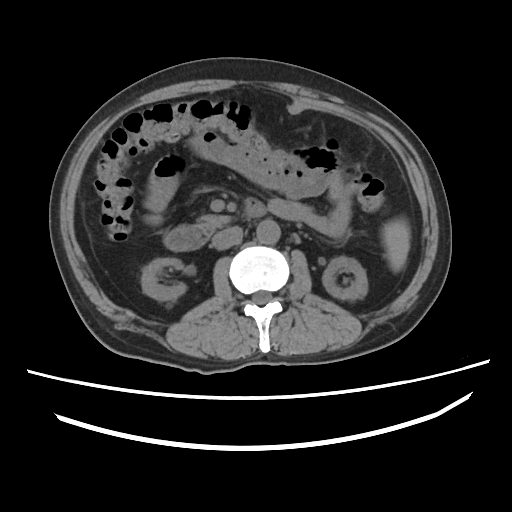
CT, abdomen/pelvis; axial view; W/L 400/40 HU; 512x512 px
One row per box, in pixels: columns x1 and y1 give the top-left corner, x2 and y2 the bottom-right.
| organ | x1 | y1 | x2 | y2 |
|---|---|---|---|---|
| spleen | 382 | 218 | 410 | 271 |
| right kidney | 141 | 258 | 186 | 301 |
| left kidney | 322 | 256 | 367 | 300 |
| aorta | 256 | 220 | 280 | 244 |
| inferior vena cava | 212 | 226 | 242 | 249 |
| pancreas | 196 | 214 | 231 | 233 |
| duodenum | 163 | 198 | 268 | 251 |